CT, abdomen/pelvis; axial view; 39-year-old female patient
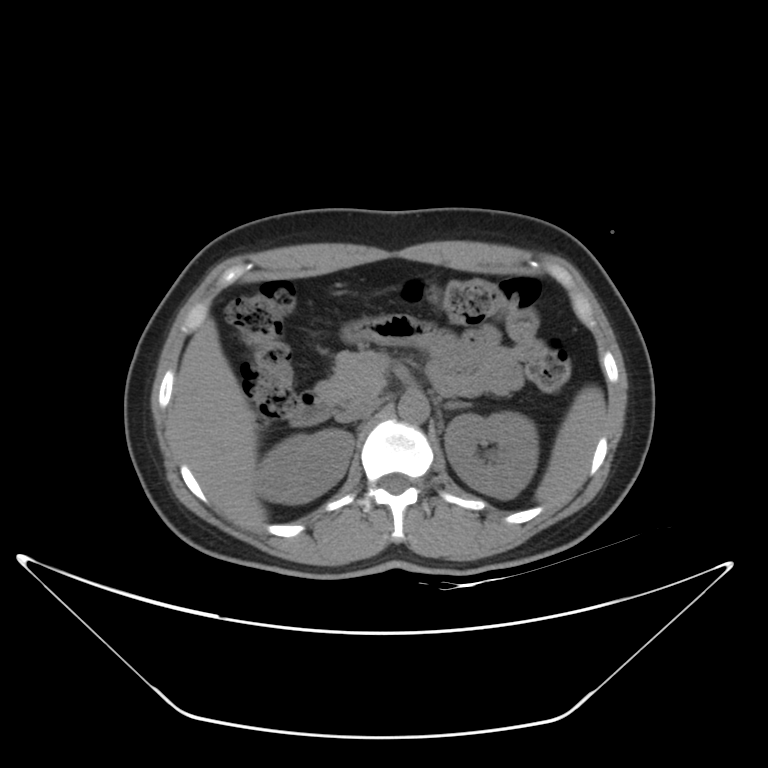
Bounding boxes as [x1, y1, x2, y2] in pixel coordinates.
Organ bounding boxes:
- left kidney: [444, 412, 537, 498]
- pancreas: [314, 350, 387, 407]
- aorta: [397, 392, 429, 423]
- inferior vena cava: [336, 400, 378, 422]
- right kidney: [256, 428, 353, 504]
- liver: [169, 318, 266, 528]
- duodenum: [289, 392, 331, 426]
- spleen: [536, 385, 606, 505]
- left adrenal gland: [446, 401, 469, 409]